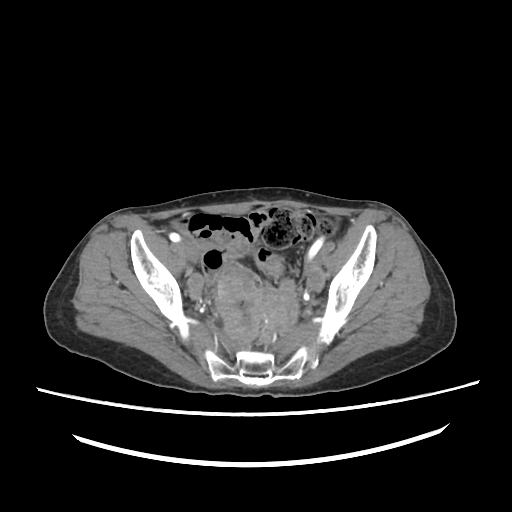 CT, abdomen/pelvis; axial plane, index 20; soft-tissue window; 512x512 px; 15 organs annotated in this scan (that count is for the whole scan; organs this slice misses have no box)
Boxes: x1 y1 x2 y2 (pixel coords, space-separated).
Organ bounding boxes:
- prostate/uterus: 259 289 299 333